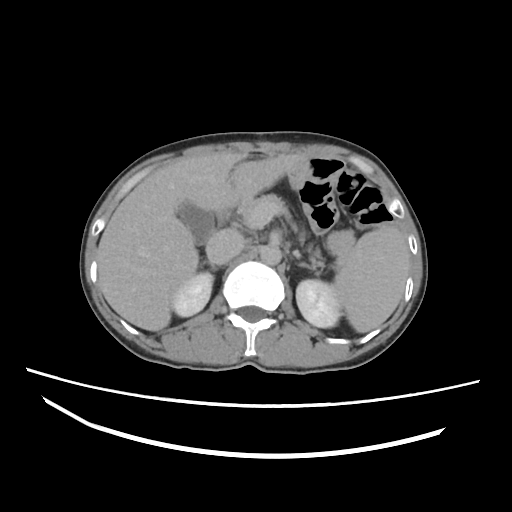

CT, abdomen/pelvis. Axial slice 76/101
{"organs":{"right adrenal gland":[203,261,217,270],"inferior vena cava":[207,230,242,264],"spleen":[331,228,409,333],"right kidney":[172,271,213,316],"left kidney":[295,278,342,328],"gall bladder":[176,201,215,245],"liver":[97,152,309,331],"left adrenal gland":[297,262,317,271],"aorta":[260,244,281,264],"duodenum":[214,208,233,229],"pancreas":[235,194,325,268]}}